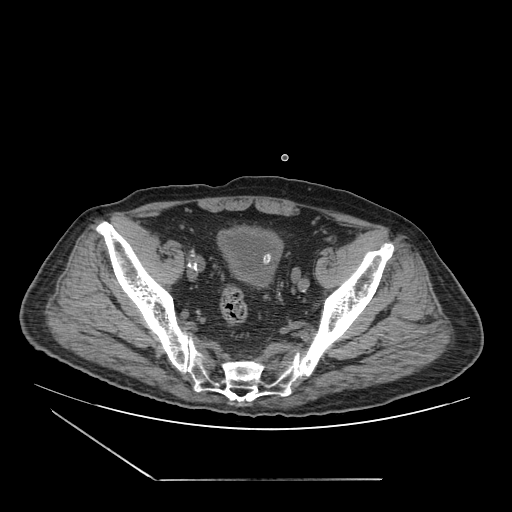

CT, abdomen/pelvis — axial view — 512x512 px — 15 organs annotated in this scan (a whole-scan count: organs this slice does not pass through have no box)
{"organs":{"bladder":[217,226,282,286]}}